CT abdomen · axial view · W/L 400/40 HU · 512x512 px
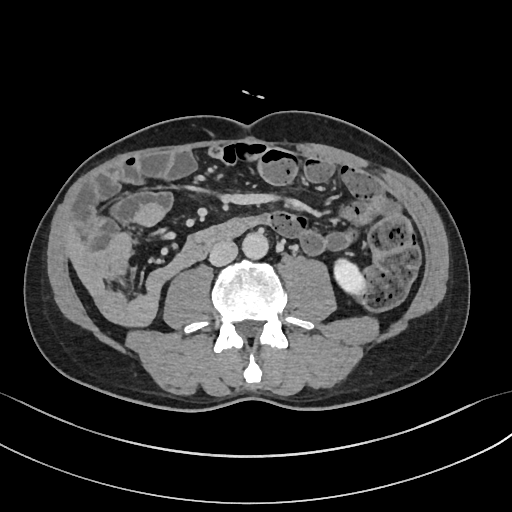
Box edges are left/top/right/bottom in pixels.
Organ bounding boxes:
- left kidney: left=334, top=257, right=367, bottom=295
- inferior vena cava: left=210, top=240, right=238, bottom=266
- aorta: left=242, top=232, right=268, bottom=259